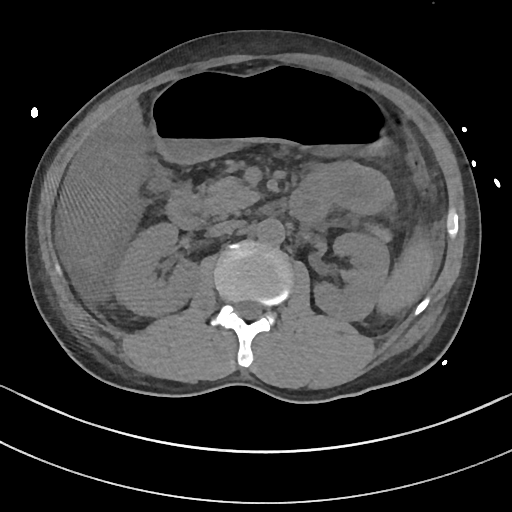 CT abdomen · Axial slice 158/252 · 15 organs annotated in this scan (that count is for the whole scan; organs this slice misses have no box)
{"organs":{"right kidney":[116,224,200,317],"stomach":[150,68,391,164],"aorta":[256,218,285,246],"liver":[59,99,144,273],"inferior vena cava":[208,220,244,236],"spleen":[376,238,433,314],"duodenum":[165,189,207,229],"pancreas":[197,176,392,243],"left kidney":[315,232,388,321]}}